CT, abdomen/pelvis; axial view
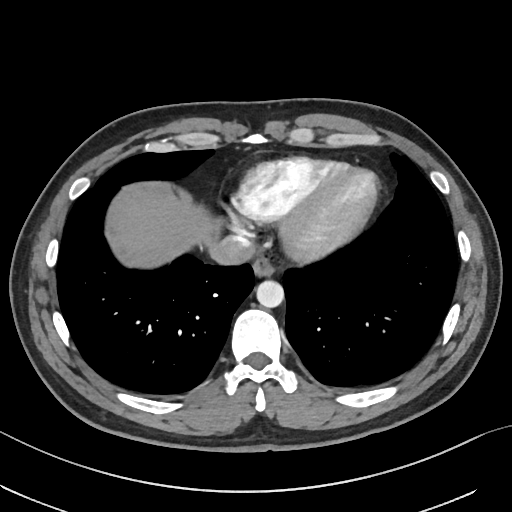 Each box given as x1,y1,x2,y2.
Organ bounding boxes:
- esophagus: x1=252, y1=258, x2=274, y2=274
- liver: x1=118, y1=190, x2=211, y2=265
- aorta: x1=256, y1=280, x2=284, y2=307
- inferior vena cava: x1=211, y1=235, x2=255, y2=265